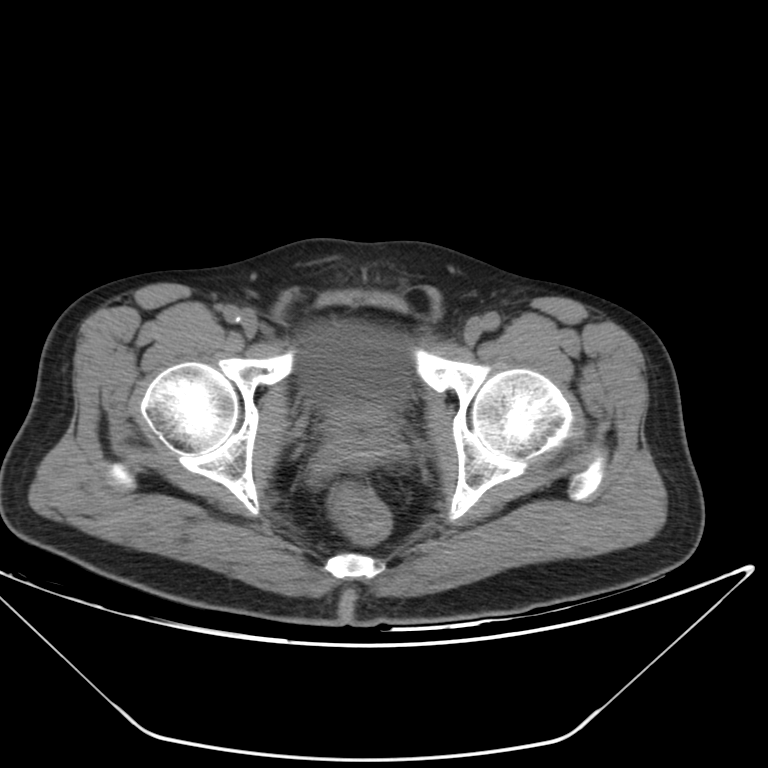
Abdominal CT; axial view
{"organs":{"bladder":[298,321,411,409],"prostate/uterus":[325,403,395,455]}}